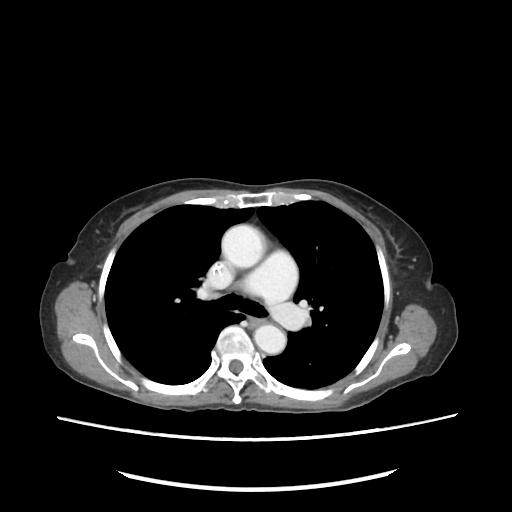 Chest-level slice from an abdominal CT that extends up into the chest. axial plane, index 101. 512x512 px. scan has 15 labeled organs (that count is for the whole scan; organs this slice misses have no box)
At this level of the chest this dataset labels only the esophagus and the aorta, and each is boxed only where it is labeled; the heart and lungs are never labeled. Boxes are (x1, y1, x2, y2) in pixels. Labeled organs on this slice: aorta at (222, 223, 264, 268), aorta at (255, 324, 285, 355).